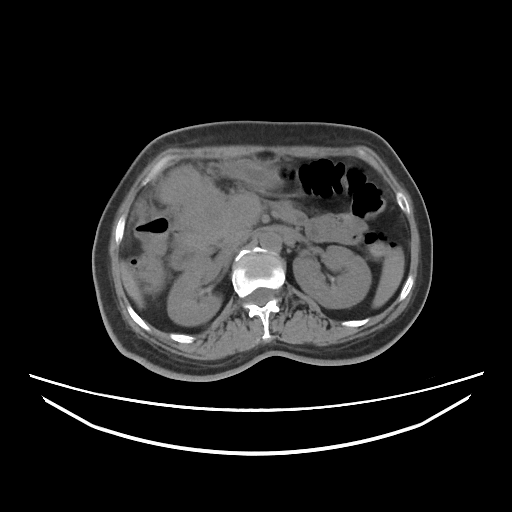

Computed tomography, abdomen · axial plane, index 67 · Aquilion ONE scanner · 15 organs annotated in this scan (counted over the whole 3D scan, not this slice; an organ is boxed only where this slice passes through it)
Boxes: x1 y1 x2 y2 (pixel coords, space-separated). 9 labeled organs on this slice — spleen at 372 247 404 308; right kidney at 167 258 221 325; left kidney at 293 246 371 308; liver at 121 266 143 307; stomach at 160 159 281 242; aorta at 259 232 281 251; inferior vena cava at 222 232 249 251; pancreas at 208 202 306 246; duodenum at 171 244 212 269.